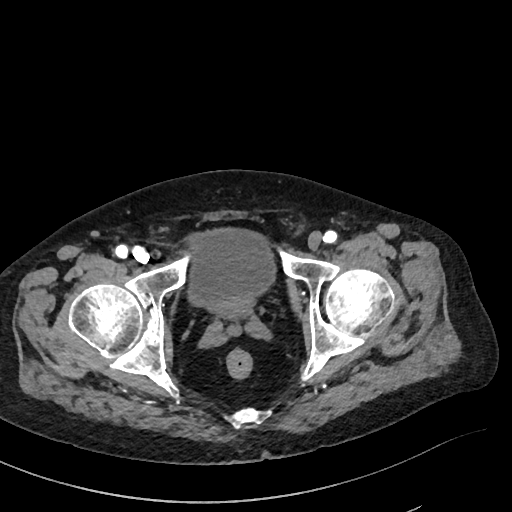

CT, abdomen/pelvis — axial view — abdomen soft-tissue window
Box edges are left/top/right/bottom in pixels.
Organ bounding boxes:
- bladder: left=188, top=229, right=274, bottom=306
- prostate/uterus: left=214, top=297, right=253, bottom=316